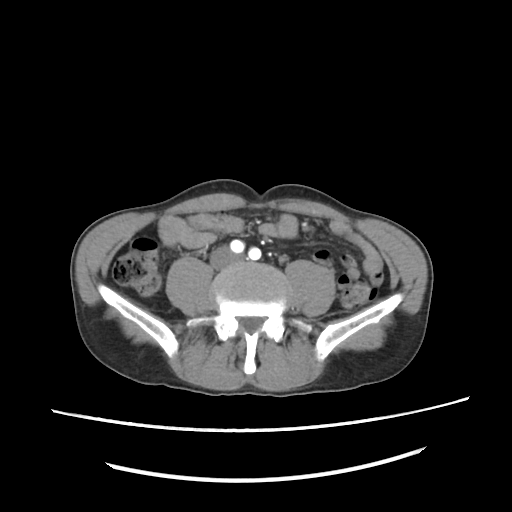

Abdominal CT — axial view — 512x512 px — 55-year-old male patient
Box edges are left/top/right/bottom in pixels.
liver: left=109, top=246, right=110, bottom=247